CT abdomen. axial plane, index 77. soft-tissue window. 768x768 px. 65-year-old male patient
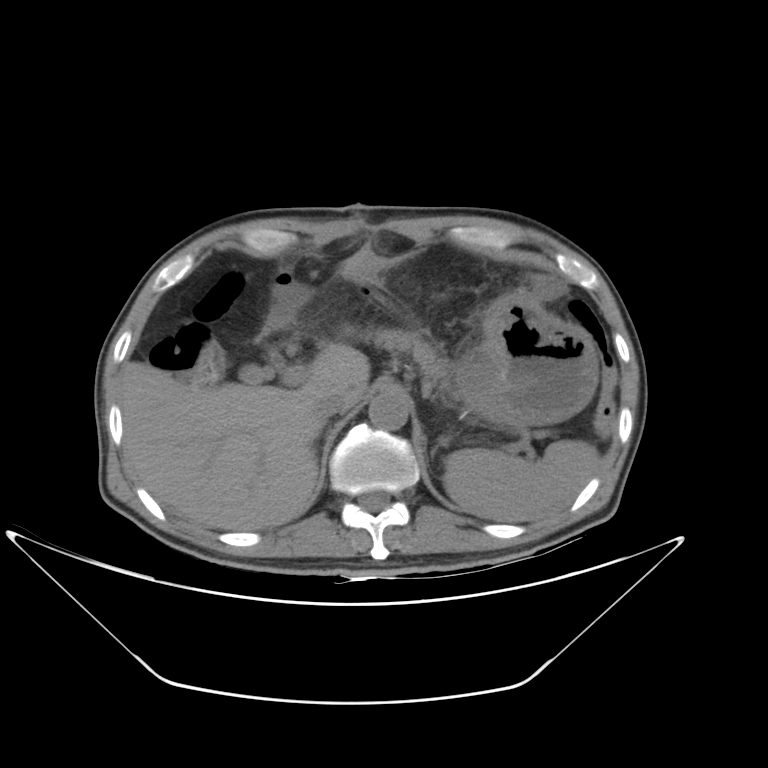 Boxes: x1:y1:x2:y2 in pixels.
Organ bounding boxes:
- spleen: 442:440:600:523
- gall bladder: 240:365:275:383
- liver: 118:250:387:530
- stomach: 460:292:598:426
- aorta: 369:390:408:430
- inferior vena cava: 312:393:346:419
- pancreas: 374:329:450:397